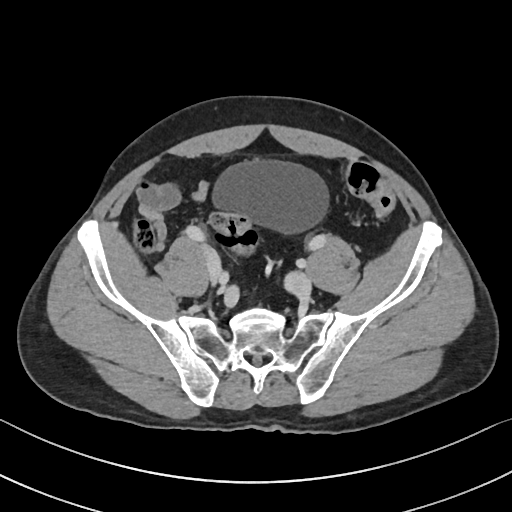

CT, abdomen/pelvis. axial view
{"organs":{"bladder":[211,160,329,235]}}